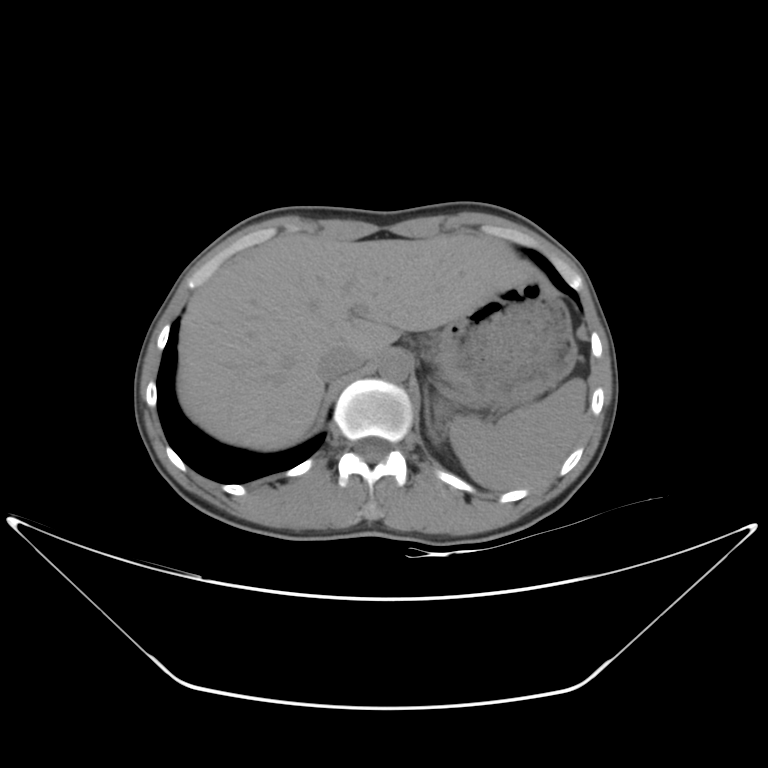
Abdominal CT. axial view. soft-tissue window (W 400 / L 40). acquired on Brilliance16
Box edges are left/top/right/bottom in pixels.
Organ bounding boxes:
- spleen: left=449, top=377, right=586, bottom=490
- liver: left=176, top=233, right=538, bottom=451
- stomach: left=435, top=279, right=577, bottom=407
- aorta: left=378, top=354, right=410, bottom=382
- inferior vena cava: left=316, top=346, right=366, bottom=380
- left adrenal gland: left=423, top=384, right=440, bottom=442